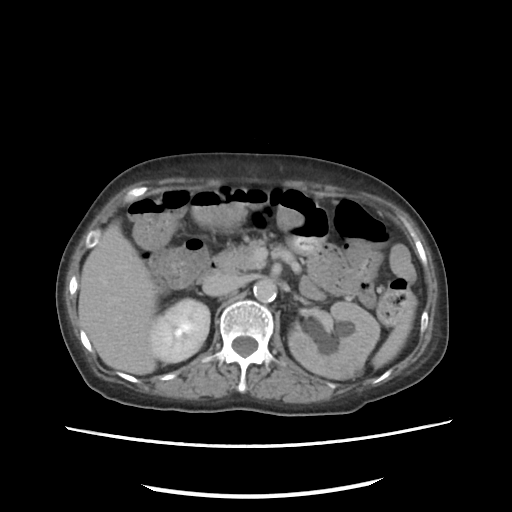
Computed tomography, abdomen; axial plane, index 60; 52-year-old female patient; acquired on Aquilion ONE
Boxes are (x1, y1, x2, y2) in pixels.
Organ bounding boxes:
- inferior vena cava: (202, 272, 239, 296)
- right kidney: (149, 298, 209, 363)
- spleen: (372, 311, 413, 368)
- pancreas: (214, 239, 266, 271)
- left kidney: (288, 302, 379, 379)
- liver: (78, 220, 156, 374)
- aorta: (253, 278, 276, 302)
- duodenum: (198, 260, 218, 283)